CT, abdomen/pelvis · axial view · W/L 400/40 HU · 512x512 px · 15 organs annotated in this scan (counted over the whole 3D scan, not this slice; an organ is boxed only where this slice passes through it)
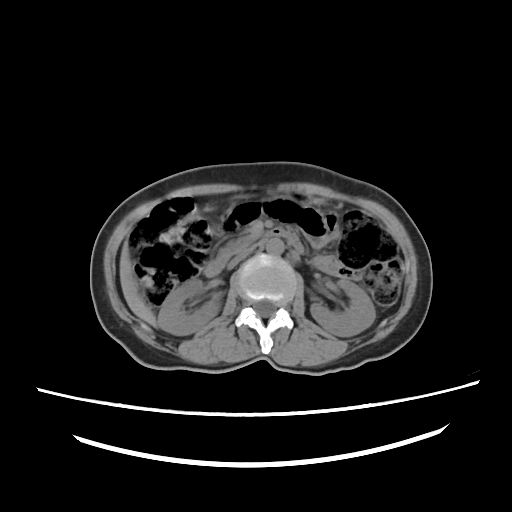
<organs><organ name="duodenum" x1="204" y1="225" x2="304" y2="276"/><organ name="liver" x1="119" y1="243" x2="156" y2="325"/><organ name="inferior vena cava" x1="227" y1="246" x2="254" y2="268"/><organ name="right kidney" x1="158" y1="278" x2="221" y2="335"/><organ name="left kidney" x1="310" y1="279" x2="375" y2="336"/><organ name="aorta" x1="266" y1="238" x2="284" y2="255"/></organs>